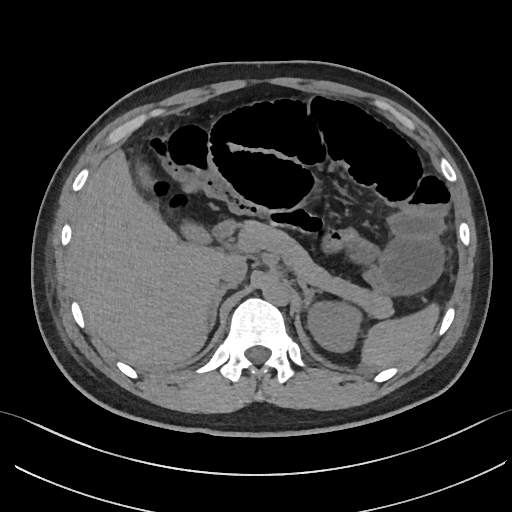
Computed tomography, abdomen — axial view — acquired on SOMATOM Force — 15 organs annotated in this scan (a whole-scan count: organs this slice does not pass through have no box)
{"organs":{"spleen":[361,303,439,367],"left kidney":[307,301,361,352],"gall bladder":[137,163,208,242],"liver":[68,149,230,365],"aorta":[262,280,289,305],"inferior vena cava":[219,256,247,285],"pancreas":[238,220,392,317],"right adrenal gland":[204,284,236,331],"left adrenal gland":[299,282,320,308],"duodenum":[213,220,236,241]}}